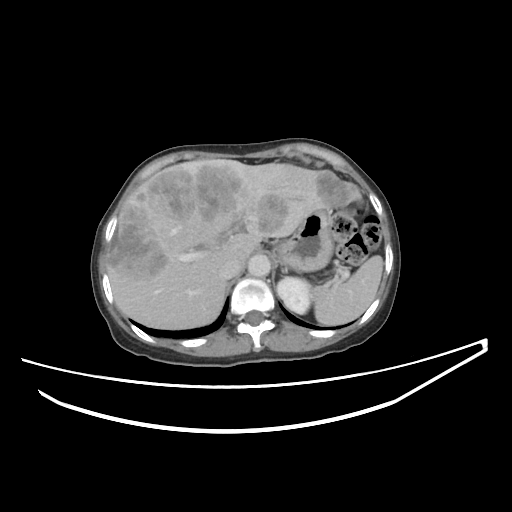 CT abdomen. axial view. soft-tissue window (W 400 / L 40). acquired on Aquilion ONE. scan has 15 labeled organs (counted over the whole 3D scan, not this slice; an organ is boxed only where this slice passes through it)
{"organs":{"spleen":[311,255,383,325],"left kidney":[277,277,311,314],"liver":[107,159,359,329],"stomach":[274,209,333,271],"aorta":[248,254,270,277],"inferior vena cava":[219,258,242,279],"left adrenal gland":[283,269,286,272]}}